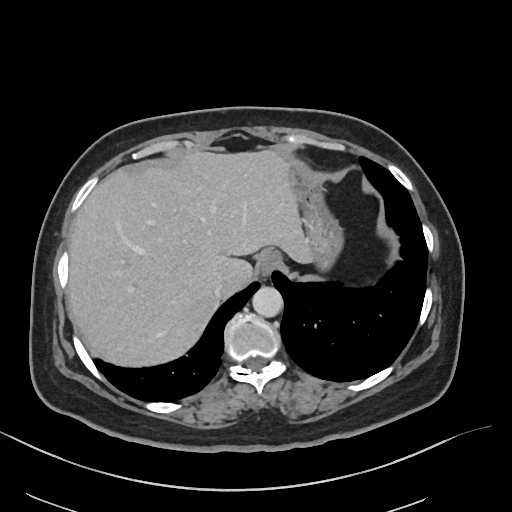
Computed tomography, abdomen · axial view · abdomen soft-tissue window · 512x512 px · acquired on SOMATOM Force
<organs><organ name="esophagus" x1="258" y1="250" x2="283" y2="272"/><organ name="aorta" x1="252" y1="287" x2="283" y2="317"/><organ name="stomach" x1="283" y1="157" x2="344" y2="268"/><organ name="liver" x1="67" y1="151" x2="307" y2="368"/><organ name="inferior vena cava" x1="213" y1="281" x2="223" y2="297"/></organs>